Abdominal CT reaching into the chest; this slice is in the chest; axial view; 512x512 px
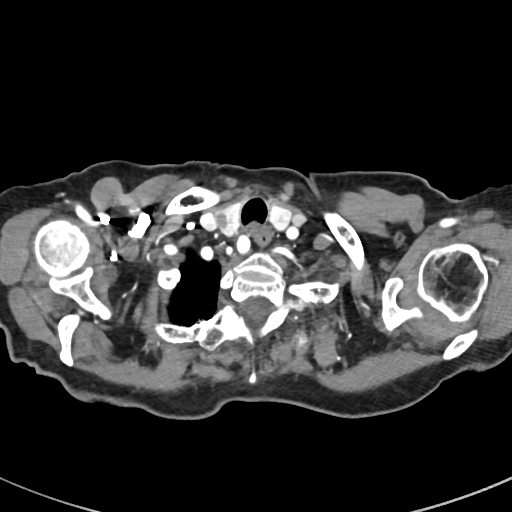
At this level of the chest no structure but the esophagus and the aorta has a label in this dataset, and those two are boxed only where they are labeled.
Boxes are (x1, y1, x2, y2) in pixels.
Organ bounding boxes:
- esophagus: (256, 229, 271, 242)